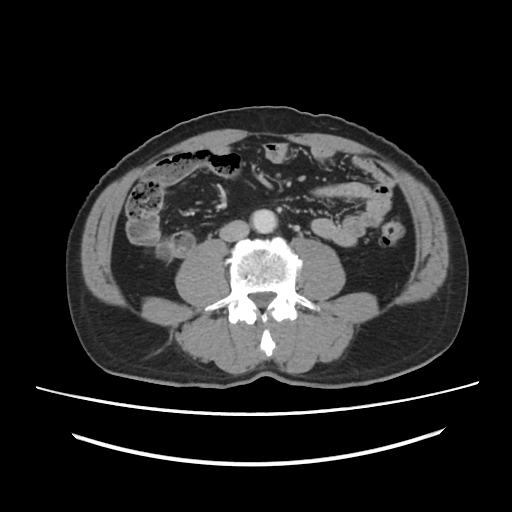
CT, abdomen/pelvis. Axial slice 46/124. 58-year-old male patient
One row per box, in pixels: columns x1 and y1 give the top-left corner, x2 and y2 the bottom-right.
| organ | x1 | y1 | x2 | y2 |
|---|---|---|---|---|
| aorta | 251 | 209 | 277 | 233 |
| inferior vena cava | 219 | 220 | 249 | 241 |